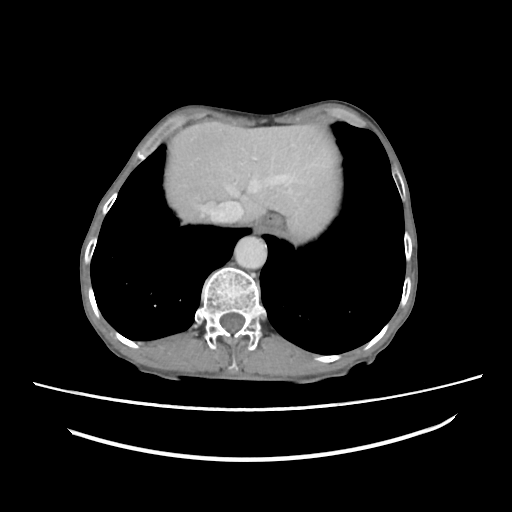
Computed tomography, abdomen. axial plane, index 69. W/L 400/40 HU. 59-year-old male patient
Boxes: x1 y1 x2 y2 (pixel coords, space-separated).
Organ bounding boxes:
- esophagus: 255 215 280 231
- liver: 165 121 339 239
- aorta: 234 236 266 269
- inferior vena cava: 208 200 243 223